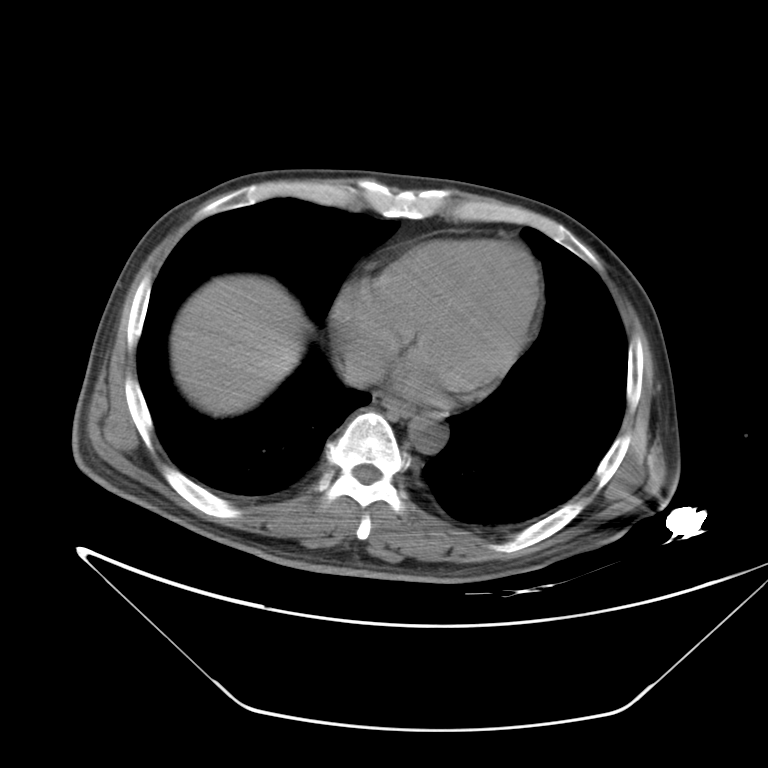
Abdominal CT — axial view — abdomen soft-tissue window — 768x768 px
{"organs":{"esophagus":[383,397,414,417],"inferior vena cava":[343,354,385,388],"liver":[172,275,307,416],"aorta":[409,415,447,453]}}